CT abdomen; axial plane, index 192; 15 organs annotated in this scan (counted over the whole 3D scan, not this slice; an organ is boxed only where this slice passes through it)
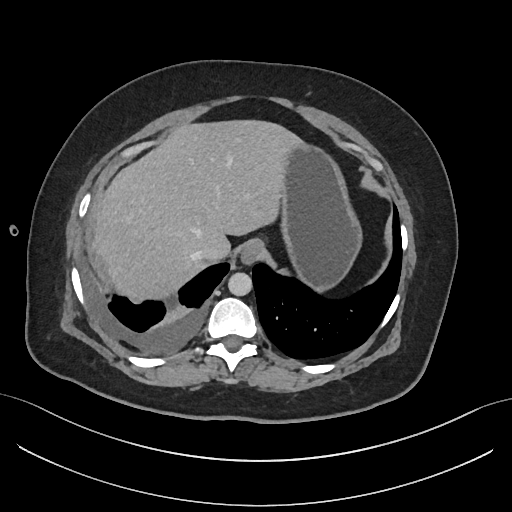

{"organs":{"esophagus":[239,241,261,265],"stomach":[281,146,360,289],"liver":[95,121,305,296],"aorta":[228,272,251,295],"inferior vena cava":[197,240,225,259]}}